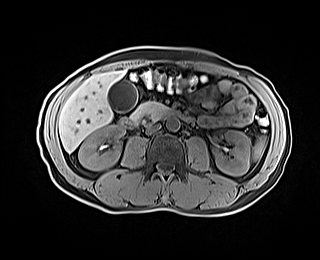

Abdominal MR. axial view
Boxes are (x1, y1, x2, y2) in pixels.
spleen: (253, 136, 265, 160)
right kidney: (78, 125, 123, 170)
left kidney: (214, 130, 250, 175)
gall bladder: (108, 80, 137, 112)
liver: (58, 70, 124, 152)
aorta: (166, 117, 179, 131)
inferior vena cava: (146, 123, 160, 133)
pancreas: (130, 101, 167, 122)
duodenum: (119, 108, 192, 128)